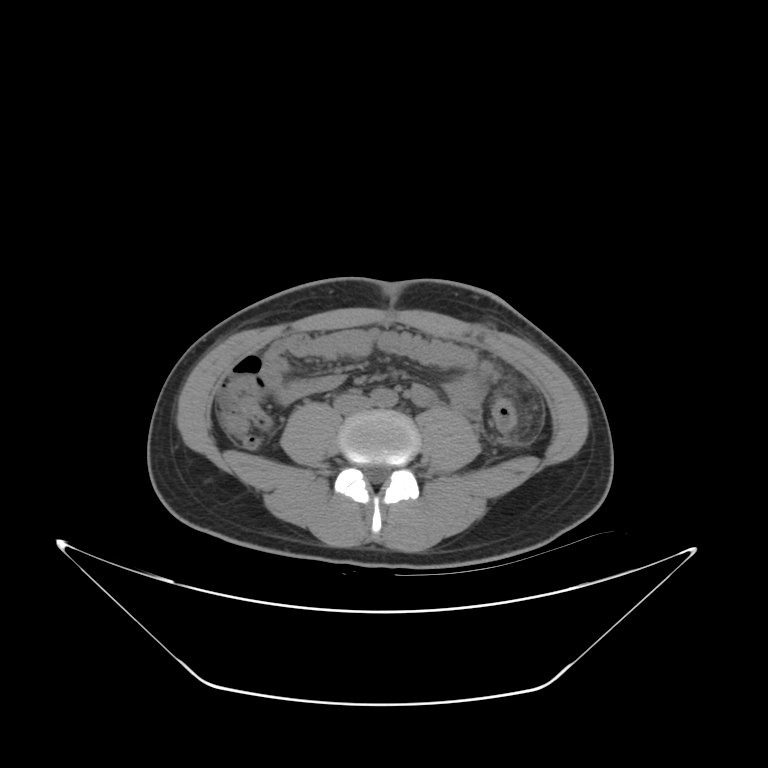

Computed tomography, abdomen; axial view; soft-tissue window; 768x768 px; scan has 15 labeled organs (a whole-scan count: organs this slice does not pass through have no box)
Boxes: x1:y1:x2:y2 in pixels.
Organ bounding boxes:
- aorta: 372:388:396:409
- inferior vena cava: 331:396:368:413